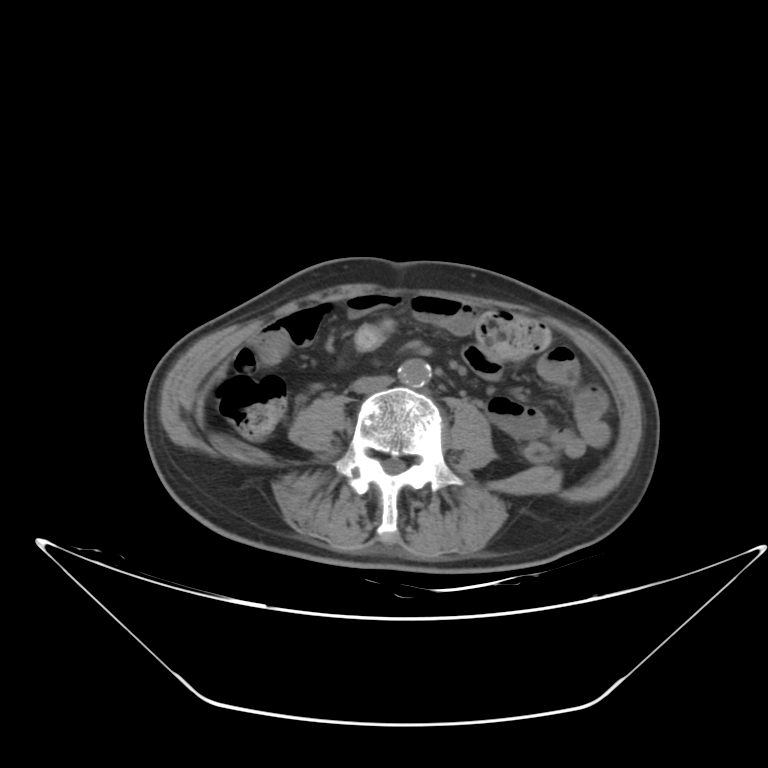 Computed tomography, abdomen · axial plane, index 47 · W/L 400/40 HU · 69-year-old male patient
Each box given as x1,y1,x2,y2. 2 labeled organs on this slice — aorta at x1=396, y1=359, x2=430, y2=387; inferior vena cava at x1=349, y1=374, x2=392, y2=395.